Abdominal CT — axial plane, index 92 — abdomen soft-tissue window — 512x512 px
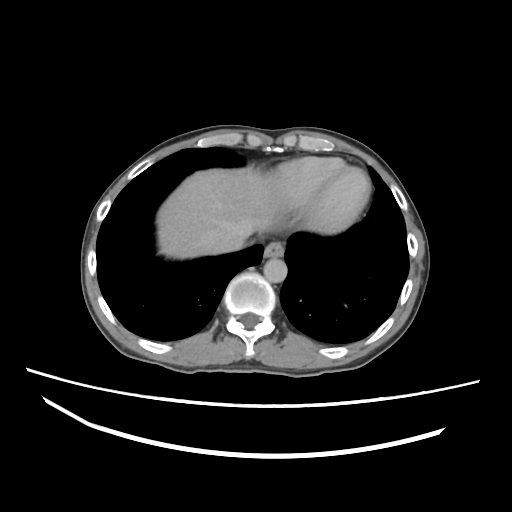

Bounding boxes as [x1, y1, x2, y2] in pixel coordinates.
esophagus: [264, 242, 282, 256]
liver: [157, 167, 274, 258]
aorta: [264, 257, 286, 281]
inferior vena cava: [205, 223, 246, 254]